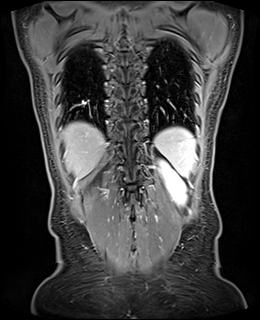 Abdominal MRI; Coronal slice 36/144
Boxes are (x1, y1, x2, y2) in pixels.
liver: (63, 122, 105, 177)
left kidney: (161, 163, 185, 203)
spleen: (154, 127, 196, 177)